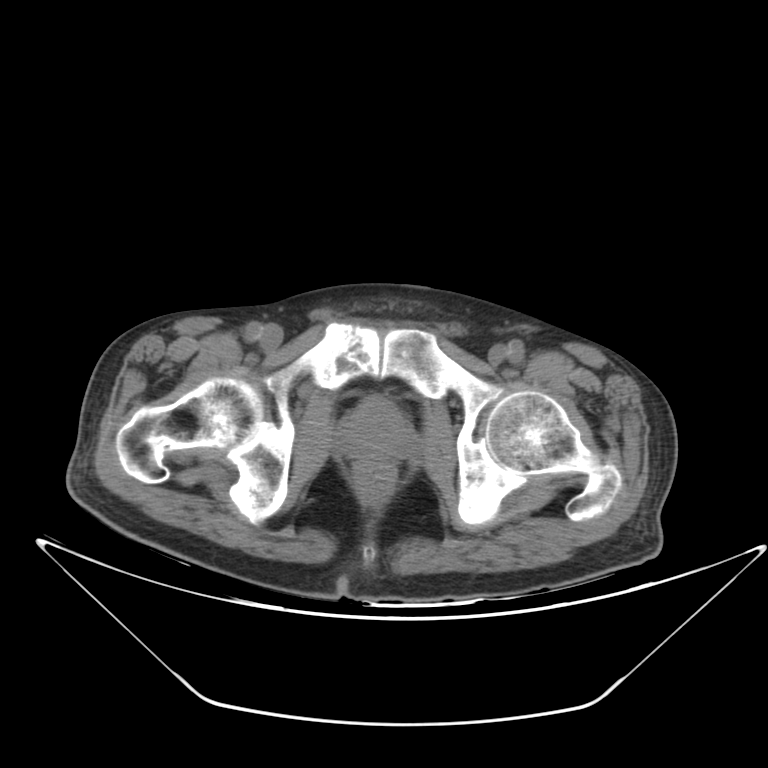

CT abdomen · axial view · 768x768 px
<organs><organ name="prostate/uterus" x1="338" y1="394" x2="413" y2="460"/></organs>